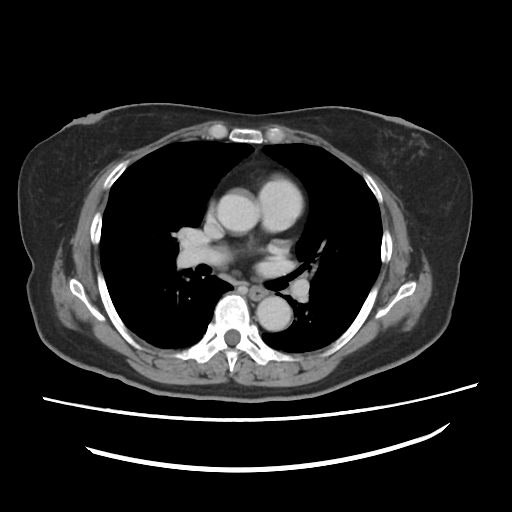

CT of the abdomen extending into the chest, slice through the chest · axial view · W/L 400/40 HU
At this level of the chest no structure but the esophagus and the aorta has a label in this dataset, and those two are boxed only where they are labeled.
Boxes: x1 y1 x2 y2 (pixel coords, space-separated).
aorta: 216 191 259 233
aorta: 257 296 292 332
esophagus: 247 286 265 299